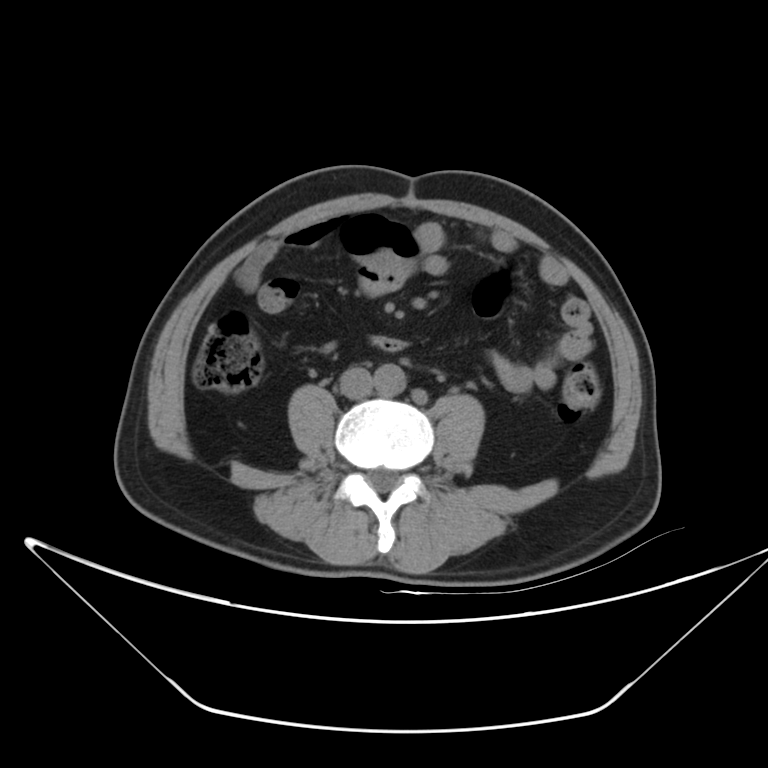

Computed tomography, abdomen · axial plane, index 44 · W/L 400/40 HU · scan has 14 labeled organs (counted over the whole 3D scan, not this slice; an organ is boxed only where this slice passes through it)
<organs><organ name="inferior vena cava" x1="340" y1="367" x2="373" y2="399"/><organ name="aorta" x1="374" y1="364" x2="406" y2="396"/></organs>